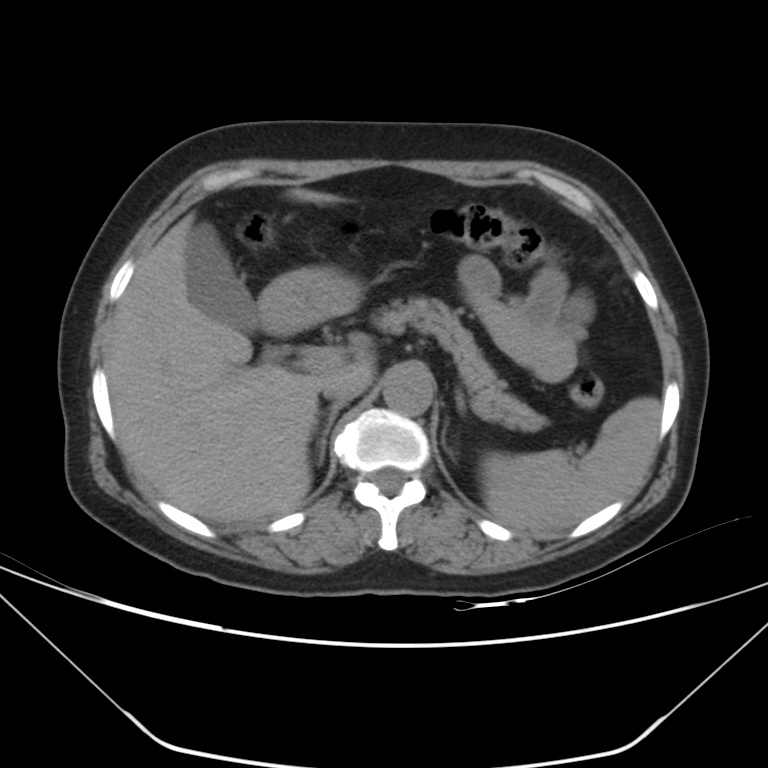
CT abdomen. axial view
Bounding boxes as [x1, y1, x2, y2] in pixel coordinates. Labeled organs on this slice: spleen at [487, 396, 660, 533], gall bladder at [186, 224, 257, 333], liver at [105, 187, 374, 524], stomach at [257, 268, 359, 334], aorta at [383, 363, 433, 415], inferior vena cava at [322, 377, 366, 404], pancreas at [380, 296, 547, 432], right adrenal gland at [318, 403, 344, 463].